Abdominal CT · axial view · soft-tissue window · 512x512 px · scan has 14 labeled organs (that count is for the whole scan; organs this slice misses have no box)
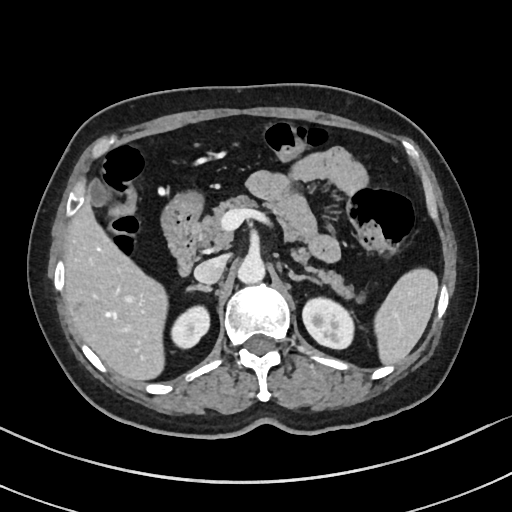
Bounding boxes as [x1, y1, x2, y2] in pixel coordinates.
Organ bounding boxes:
- spleen: [375, 270, 437, 362]
- right kidney: [173, 305, 211, 349]
- left kidney: [302, 295, 354, 348]
- gall bladder: [88, 182, 105, 205]
- liver: [65, 201, 168, 379]
- stomach: [160, 193, 202, 242]
- aorta: [237, 256, 265, 282]
- inferior vena cava: [194, 255, 227, 283]
- pancreas: [198, 196, 352, 296]
- right adrenal gland: [189, 283, 209, 290]
- left adrenal gland: [289, 270, 319, 286]
- duodenum: [169, 237, 195, 276]